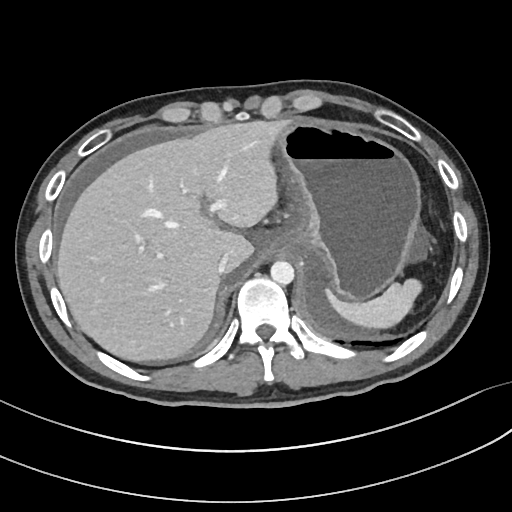

Abdominal CT — axial plane, index 203 — scan has 15 labeled organs (counted over the whole 3D scan, not this slice; an organ is boxed only where this slice passes through it)
Boxes are (x1, y1, x2, y2) in pixels. 5 labeled organs on this slice — aorta at (270, 261, 295, 284); spleen at (325, 278, 421, 327); stomach at (272, 119, 422, 302); liver at (57, 121, 287, 360); inferior vena cava at (218, 253, 229, 274).